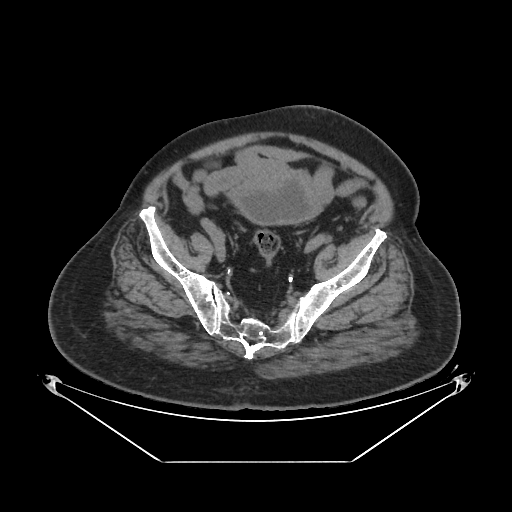

Computed tomography, abdomen · Axial slice 85/353 · abdomen soft-tissue window · 512x512 px · 15 organs annotated in this scan (that count is for the whole scan; organs this slice misses have no box)
Organ boxes in pixel coordinates; each row gives the top-left (x1, y1) and bottom-right (x2, y2) corners.
| organ | x1 | y1 | x2 | y2 |
|---|---|---|---|---|
| bladder | 230 | 171 | 321 | 223 |